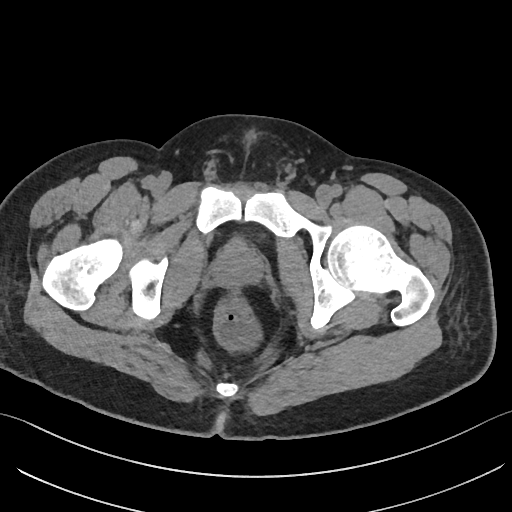

Computed tomography, abdomen — axial view — W/L 400/40 HU
Boxes: x1 y1 x2 y2 (pixel coords, space-separated). Labeled organs on this slice: prostate/uterus at 215 243 262 285.